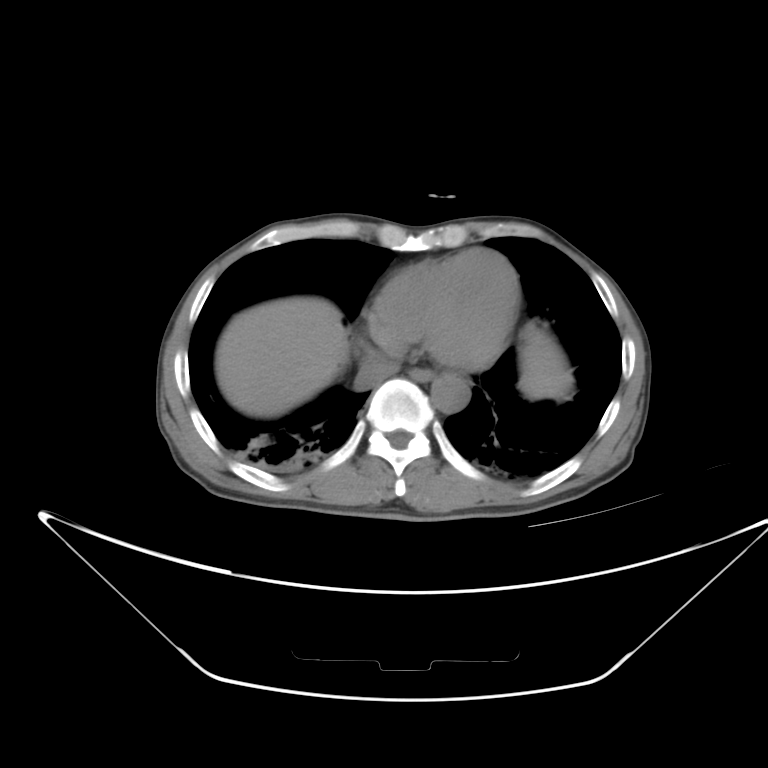
Computed tomography, abdomen · Axial slice 84/96 · 768x768 px · 51-year-old male patient · scan has 15 labeled organs (counted over the whole 3D scan, not this slice; an organ is boxed only where this slice passes through it)
Boxes: x1:y1:x2:y2 in pixels. Labeled organs on this slice: inferior vena cava at 353:361:393:390, liver at 217:299:570:415, aorta at 429:372:467:412, esophagus at 410:369:433:380.